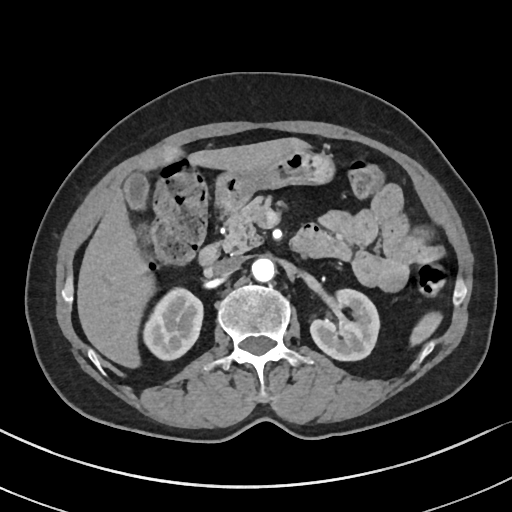
Abdominal CT; axial view; soft-tissue window (W 400 / L 40)
{"organs":{"inferior vena cava":[212,256,243,275],"stomach":[215,148,332,209],"spleen":[411,314,441,345],"aorta":[251,257,275,280],"liver":[77,137,306,368],"left kidney":[311,288,379,360],"duodenum":[198,223,351,265],"right kidney":[143,287,203,360],"gall bladder":[123,172,147,209],"pancreas":[223,196,270,252]}}